Abdominal CT — axial view — 512x512 px
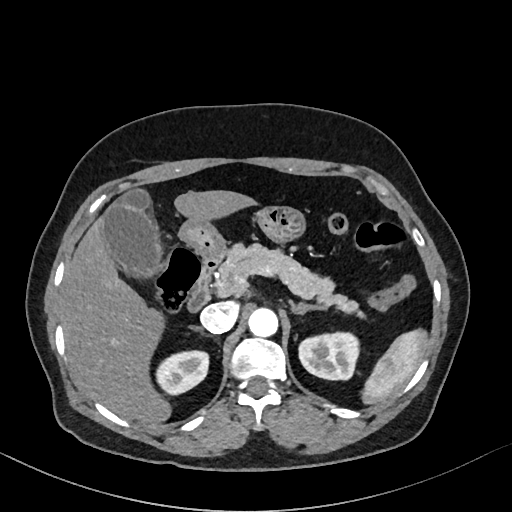 {"organs":{"spleen":[363,331,426,404],"right kidney":[158,350,209,395],"left kidney":[298,333,360,379],"gall bladder":[100,190,157,274],"liver":[62,190,253,425],"stomach":[179,205,304,255],"aorta":[248,306,277,336],"inferior vena cava":[200,302,238,332],"pancreas":[216,241,358,311],"right adrenal gland":[195,326,199,329],"left adrenal gland":[292,301,328,313],"duodenum":[185,254,222,313]}}